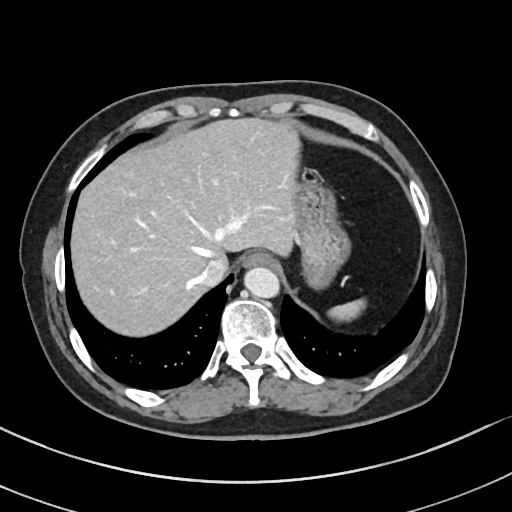

Abdominal CT. Axial slice 209/314. 512x512 px
Bounding boxes as [x1, y1, x2, y2] in pixel coordinates.
spleen: [328, 299, 364, 321]
stomach: [294, 170, 350, 289]
inferior vena cava: [197, 257, 228, 287]
liver: [71, 118, 299, 336]
esophagus: [243, 252, 273, 267]
aorta: [243, 266, 279, 298]